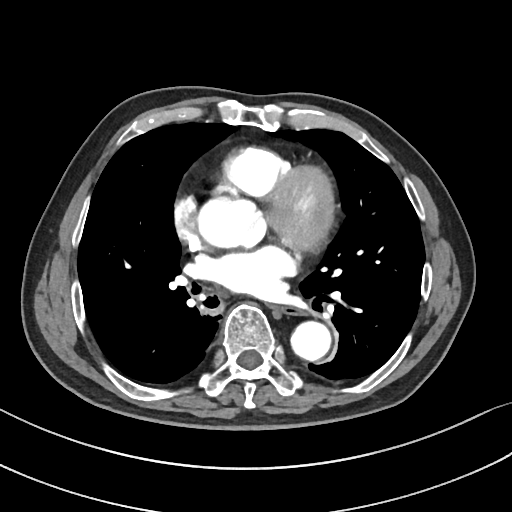
Abdominal CT reaching into the chest; this slice is in the chest · axial plane, index 225
At this level of the chest this dataset labels only the esophagus and the aorta, and each is boxed only where it is labeled; the heart and lungs are never labeled. Bounding boxes as [x1, y1, x2, y2] in pixel coordinates. Labeled organs on this slice: esophagus at [274, 307, 297, 314], aorta at [291, 321, 331, 360].